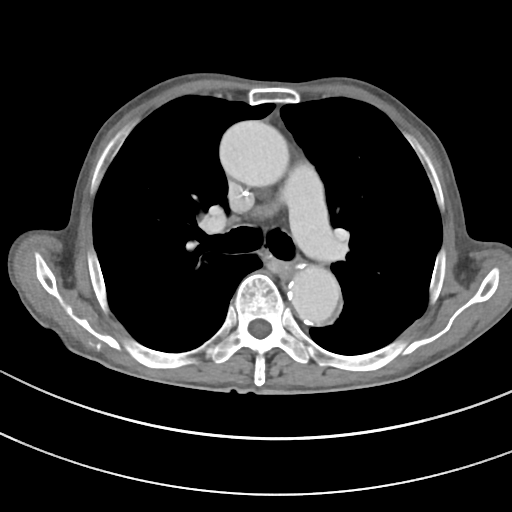

Chest-level slice from an abdominal CT that extends up into the chest; axial plane, index 96
At this level of the chest no structure but the esophagus and the aorta has a label in this dataset, and those two are boxed only where they are labeled.
Boxes: x1:y1:x2:y2 in pixels.
esophagus: 277:262:294:277
aorta: 219:120:288:186
aorta: 288:265:340:324